CT of the abdomen extending into the chest, slice through the chest · axial view · soft-tissue window, W/L 400/40 · 512x512 px · 62-year-old male patient
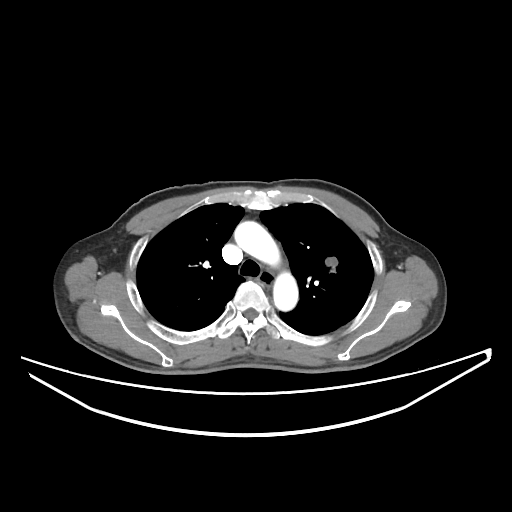 On a slice this high in the chest, this dataset labels only the esophagus and the aorta, and each is boxed only where it is labeled; the heart, lungs and other chest structures are not labeled.
Bounding boxes in pixels, one row per box: x1, y1 is the top-left corner and x2, y2 the bottom-right.
| organ | x1 | y1 | x2 | y2 |
|---|---|---|---|---|
| esophagus | 257 | 268 | 275 | 286 |
| aorta | 234 | 221 | 280 | 267 |
| aorta | 273 | 271 | 298 | 311 |